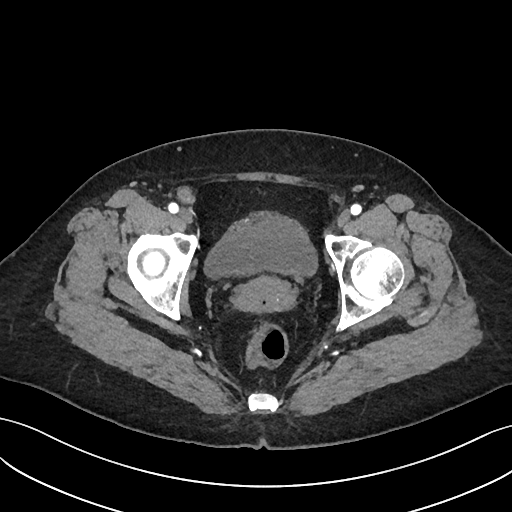
Abdominal CT. Axial slice 26/276. SOMATOM Force scanner. scan has 15 labeled organs (a whole-scan count: organs this slice does not pass through have no box)
Bounding boxes in pixels, one row per box: x1, y1 is the top-left corner and x2, y2 the bottom-right.
| organ | x1 | y1 | x2 | y2 |
|---|---|---|---|---|
| bladder | 205 | 212 | 317 | 276 |
| prostate/uterus | 234 | 274 | 295 | 314 |